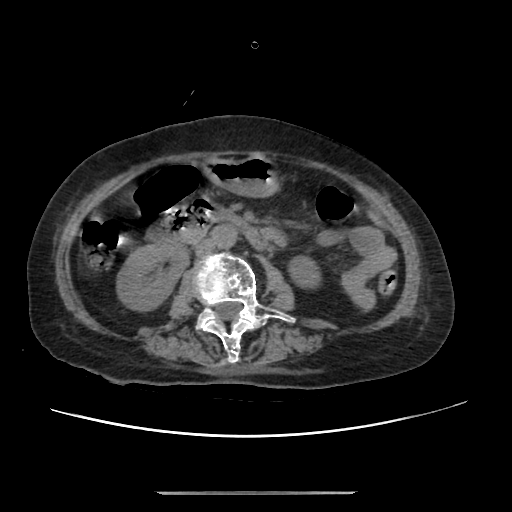
Abdominal CT. axial view. 512x512 px
<organs><organ name="right kidney" x1="117" y1="242" x2="188" y2="310"/><organ name="left kidney" x1="289" y1="256" x2="320" y2="286"/><organ name="stomach" x1="204" y1="156" x2="279" y2="197"/><organ name="aorta" x1="212" y1="225" x2="237" y2="248"/><organ name="inferior vena cava" x1="195" y1="239" x2="215" y2="256"/><organ name="duodenum" x1="153" y1="204" x2="271" y2="249"/></organs>